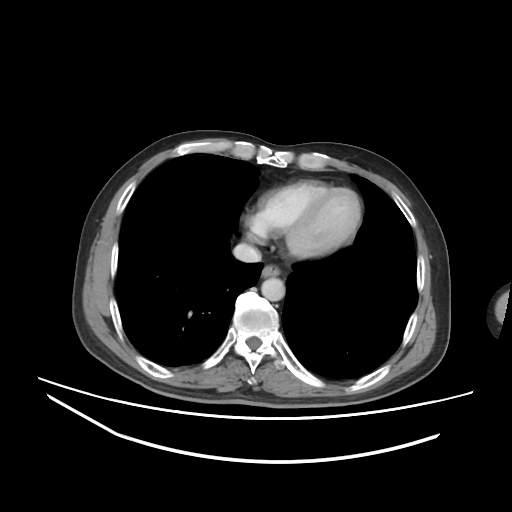 Lower-chest slice from an abdominal CT, just above the liver and spleen — Axial slice 86/128 — soft-tissue window (W 400 / L 40) — 512x512 px
The heart and lungs are never labeled in this dataset, so they have no box on this slice.
<organs><organ name="esophagus" x1="262" y1="263" x2="281" y2="277"/><organ name="aorta" x1="261" y1="277" x2="284" y2="301"/><organ name="inferior vena cava" x1="233" y1="243" x2="261" y2="262"/></organs>